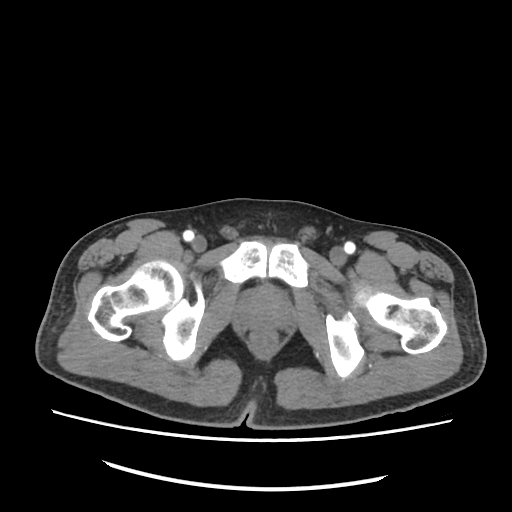

Abdominal CT · axial plane, index 13 · soft-tissue window (W 400 / L 40)
Boxes: x1 y1 x2 y2 (pixel coords, space-separated). The annotated organs in this slice are: prostate/uterus at 242 289 285 327.